Abdominal CT — axial view — soft-tissue window (W 400 / L 40) — 512x512 px
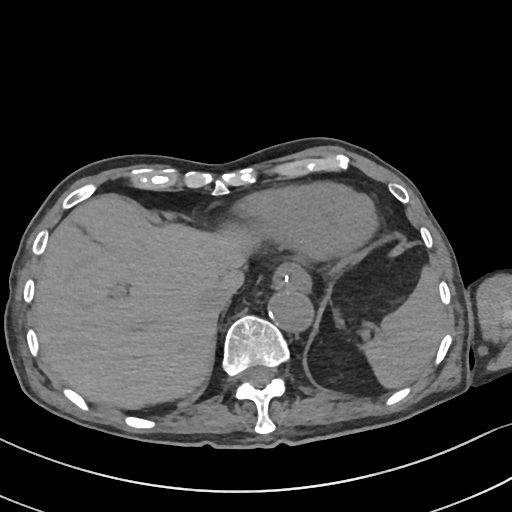

Coordinates as <box>x1,y1,x2,y2</box> in pixels. 5 labeled organs on this slice — inferior vena cava at <box>198,291,237,316</box>; aorta at <box>268,288,313,332</box>; spleen at <box>361,269,445,388</box>; esophagus at <box>272,264,310,290</box>; liver at <box>33,193,254,409</box>.